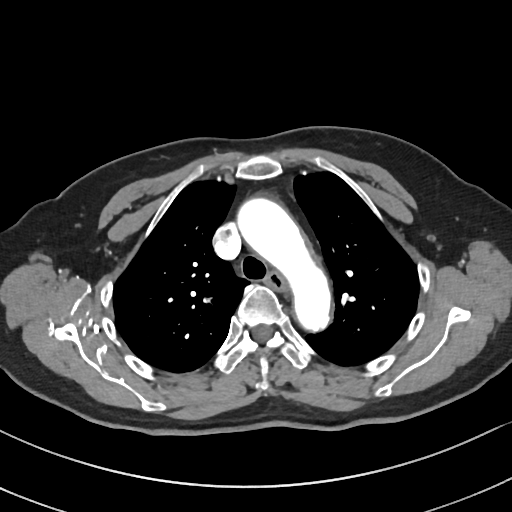 Chest-level slice from an abdominal CT that extends up into the chest; axial view
At this level of the chest this dataset labels only the esophagus and the aorta, and each is boxed only where it is labeled; the heart and lungs are never labeled. Bounding boxes as [x1, y1, x2, y2] in pixel coordinates. The annotated organs in this slice are: esophagus at [264, 272, 286, 290], aorta at [236, 196, 334, 333].